MRI, abdomen · coronal view
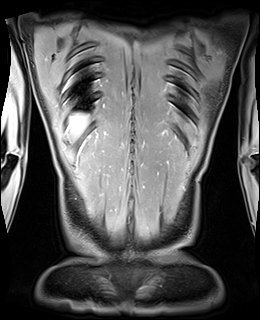 Boxes: x1:y1:x2:y2 in pixels.
Organ bounding boxes:
- liver: 68:113:86:134